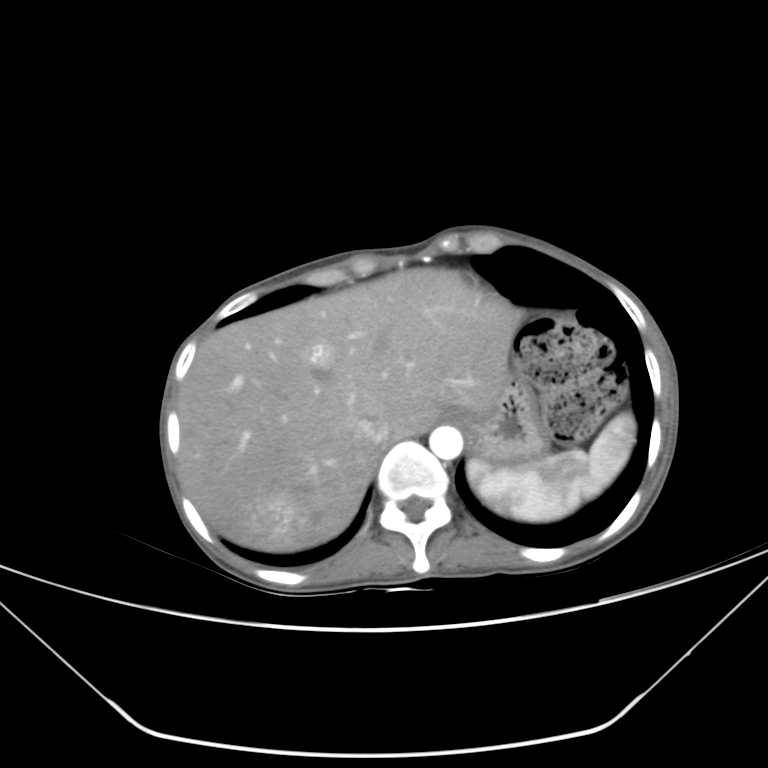
Abdominal CT · Axial slice 79/89 · abdomen soft-tissue window · 768x768 px
Organ boxes in pixel coordinates; each row gives the top-left (x1, y1) and bottom-right (x2, y2) corners.
| organ | x1 | y1 | x2 | y2 |
|---|---|---|---|---|
| liver | 178 | 268 | 518 | 550 |
| spleen | 467 | 413 | 635 | 521 |
| inferior vena cava | 353 | 417 | 391 | 452 |
| stomach | 447 | 367 | 548 | 468 |
| aorta | 429 | 426 | 462 | 459 |
| esophagus | 445 | 414 | 452 | 422 |